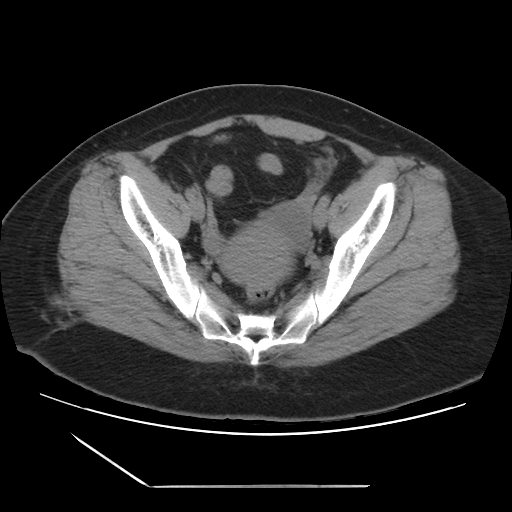
CT abdomen; Axial slice 18/88; 512x512 px; 15 organs annotated in this scan (that count is for the whole scan; organs this slice misses have no box)
One row per box, in pixels: columns x1 and y1 give the top-left corner, x2 and y2 the bottom-right.
| organ | x1 | y1 | x2 | y2 |
|---|---|---|---|---|
| prostate/uterus | 221 | 223 | 292 | 286 |